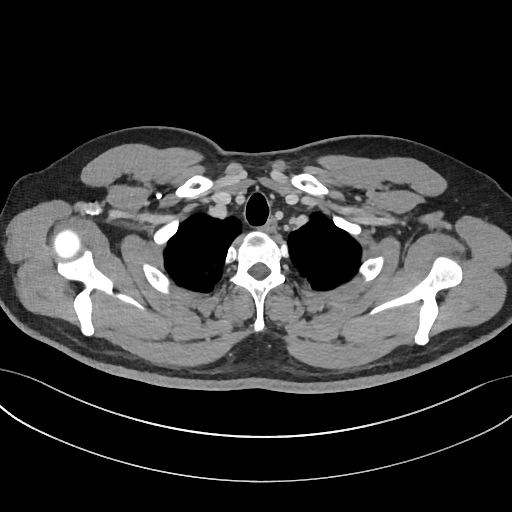 CT of the abdomen extending into the chest, slice through the chest · axial plane, index 331 · 15 organs annotated in this scan (counted over the whole 3D scan, not this slice; an organ is boxed only where this slice passes through it)
On a slice this high in the chest, this dataset labels only the esophagus and the aorta, and each is boxed only where it is labeled; the heart, lungs and other chest structures are not labeled.
Bounding boxes as [x1, y1, x2, y2] in pixel coordinates.
esophagus: [263, 218, 275, 231]